CT of the abdomen extending into the chest, slice through the chest; axial view; 512x512 px; 48-year-old female patient; 15 organs annotated in this scan (counted over the whole 3D scan, not this slice; an organ is boxed only where this slice passes through it)
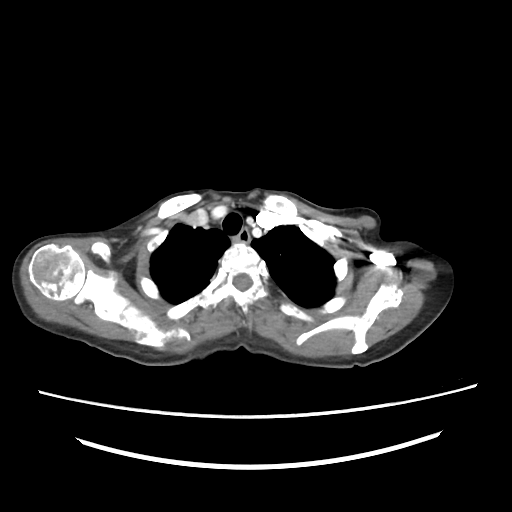
At this level of the chest no structure but the esophagus and the aorta has a label in this dataset, and those two are boxed only where they are labeled.
<organs><organ name="esophagus" x1="237" y1="227" x2="249" y2="242"/></organs>